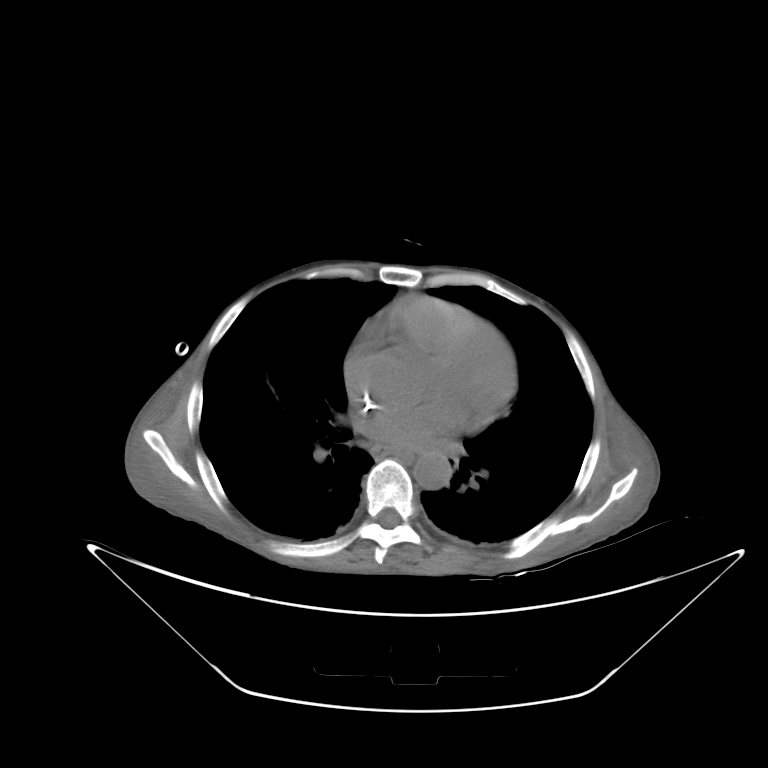
Lower-chest slice from an abdominal CT, just above the liver and spleen. axial plane, index 105. 768x768 px. 56-year-old male patient
Of the structures in the chest, this dataset labels only the esophagus, the aorta and the inferior vena cava; the heart and lungs have no label.
{"organs":{"esophagus":[372,445,414,460],"aorta":[413,452,451,489]}}